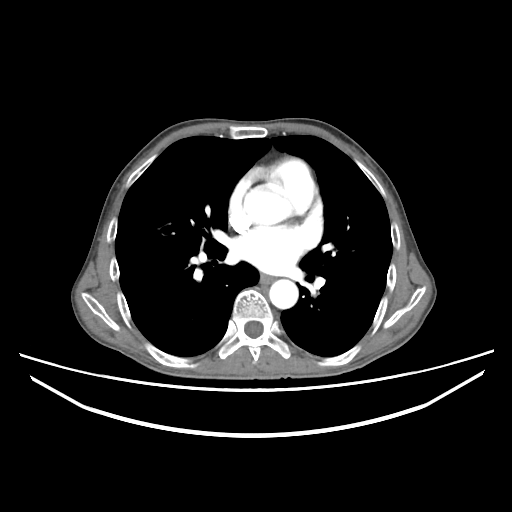

Chest-level slice from an abdominal CT that extends up into the chest; Axial slice 88/118; 512x512 px
At this level of the chest this dataset labels only the esophagus and the aorta, and each is boxed only where it is labeled; the heart and lungs are never labeled.
Boxes are (x1, y1, x2, y2) in pixels.
Organ bounding boxes:
- aorta: (242, 187, 290, 225)
- aorta: (269, 279, 298, 309)
- esophagus: (260, 274, 274, 283)